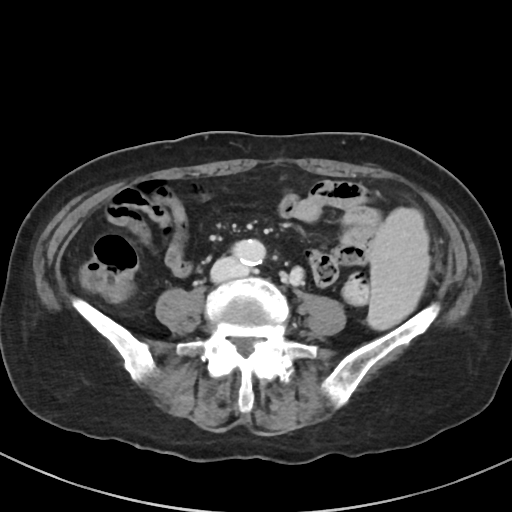
Computed tomography, abdomen; axial plane, index 36
Boxes: x1:y1:x2:y2 in pixels.
Organ bounding boxes:
- inferior vena cava: 212:258:245:280
- aorta: 233:239:265:266
- spleen: 369:208:429:329